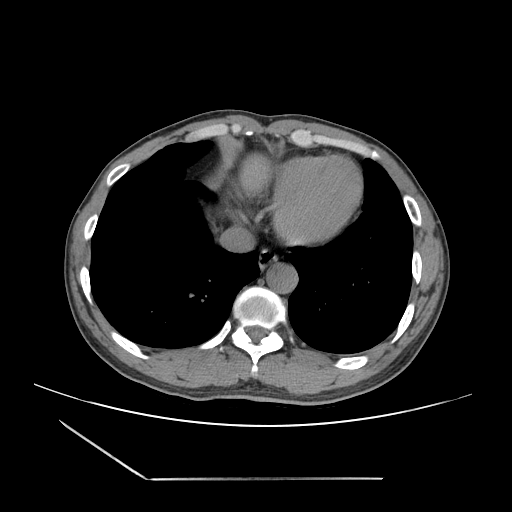

CT abdomen · Axial slice 168/173
<organs><organ name="esophagus" x1="258" y1="249" x2="277" y2="269"/><organ name="liver" x1="240" y1="154" x2="271" y2="192"/><organ name="aorta" x1="266" y1="263" x2="298" y2="293"/><organ name="inferior vena cava" x1="219" y1="226" x2="255" y2="252"/></organs>